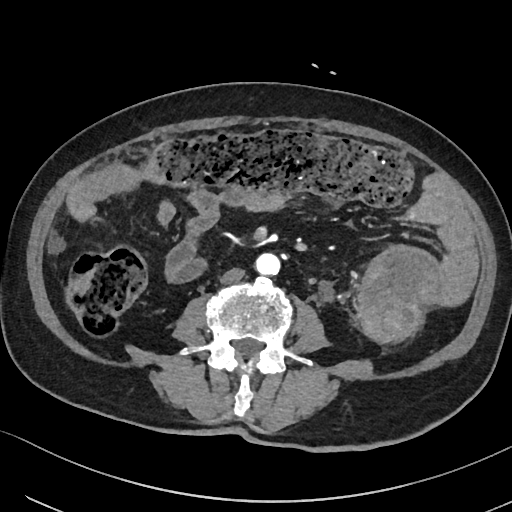 Abdominal CT · axial plane, index 120 · soft-tissue window
Boxes are (x1, y1, x2, y2) in pixels.
inferior vena cava: (220, 267, 245, 284)
aorta: (256, 253, 281, 276)